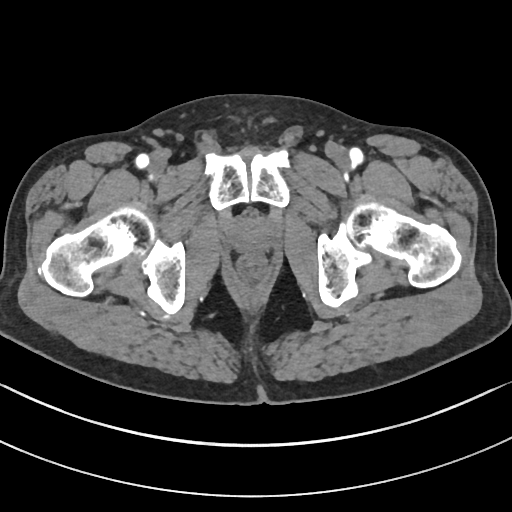

Abdominal CT — axial view — soft-tissue window (W 400 / L 40) — 512x512 px
Bounding boxes in pixels, one row per box: x1, y1 is the top-left corner and x2, y2 the bottom-right.
| organ | x1 | y1 | x2 | y2 |
|---|---|---|---|---|
| prostate/uterus | 233 | 218 | 271 | 253 |